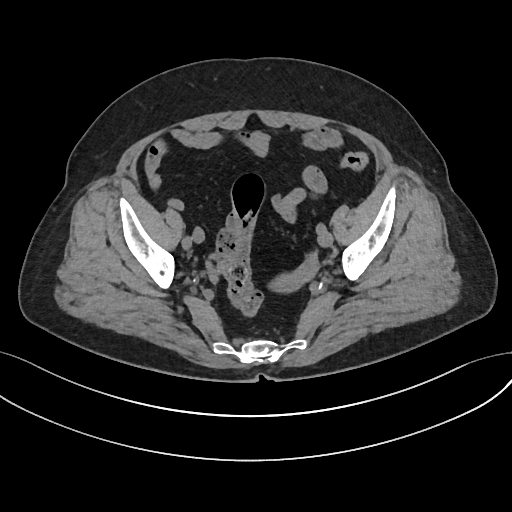 Abdominal CT — Axial slice 48/207 — W/L 400/40 HU — 512x512 px — SOMATOM Force scanner — 15 organs annotated in this scan (that count is for the whole scan; organs this slice misses have no box)
Boxes are (x1, y1, x2, y2) in pixels.
Organ bounding boxes:
- prostate/uterus: (274, 274, 302, 290)